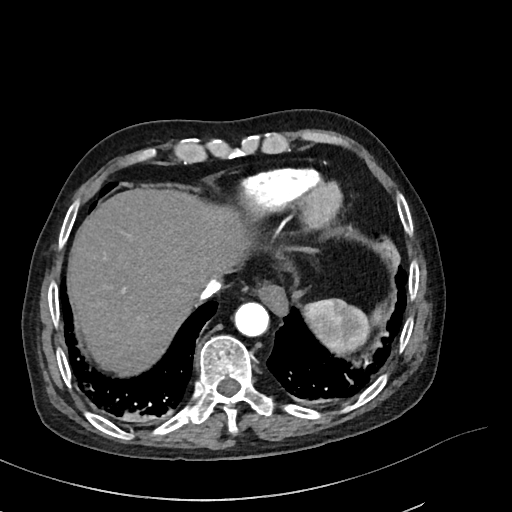
CT, abdomen/pelvis · Axial slice 206/235 · soft-tissue window · 512x512 px · acquired on SOMATOM Force
Coordinates as <box>x1,y1,x2,y2</box> in pixels. The annotated organs in this slice are: inferior vena cava at <box>196,278,222,299</box>, liver at <box>69,189,248,372</box>, esophagus at <box>259,286,288,314</box>, spleen at <box>305,298,382,353</box>, aorta at <box>234,302,269,336</box>.